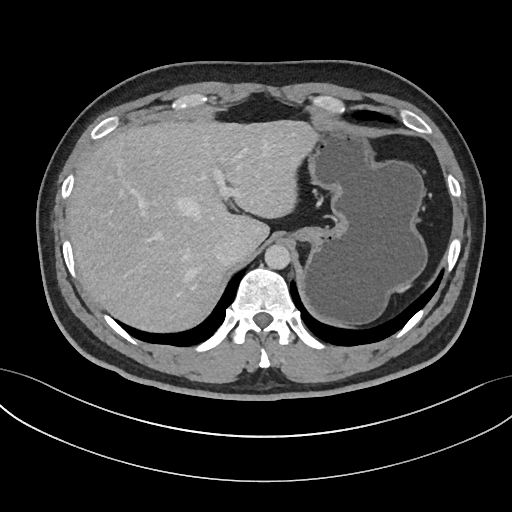

Computed tomography, abdomen · axial view
Boxes: x1:y1:x2:y2 in pixels.
Organ bounding boxes:
- stomach: 288:128:427:324
- inferior vena cava: 213:235:245:264
- aorta: 265:244:290:269
- liver: 67:120:318:330